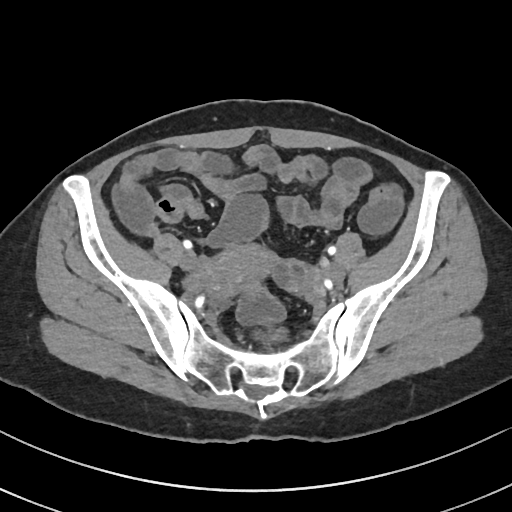 Computed tomography, abdomen; Axial slice 87/242; soft-tissue window; 512x512 px; scan has 15 labeled organs (counted over the whole 3D scan, not this slice; an organ is boxed only where this slice passes through it)
Organ boxes in pixel coordinates; each row gives the top-left (x1, y1) and bottom-right (x2, y2) corners.
| organ | x1 | y1 | x2 | y2 |
|---|---|---|---|---|
| prostate/uterus | 203 | 245 | 296 | 296 |